Computed tomography, abdomen — axial view — abdomen soft-tissue window — 512x512 px
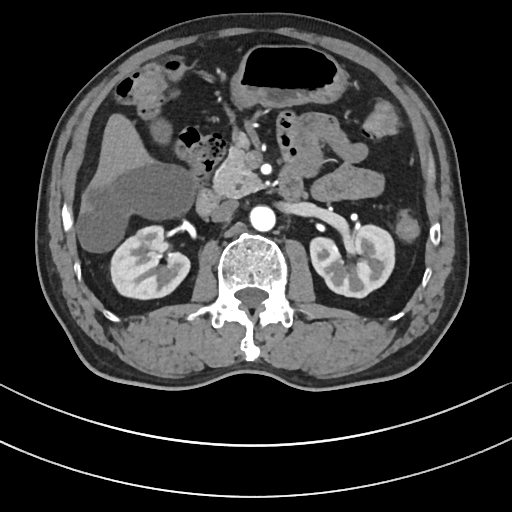
Organ boxes in pixel coordinates; each row gives the top-left (x1, y1) and bottom-right (x2, y2) corners.
| organ | x1 | y1 | x2 | y2 |
|---|---|---|---|---|
| right kidney | 110 | 224 | 188 | 298 |
| left kidney | 310 | 224 | 395 | 297 |
| gall bladder | 154 | 124 | 170 | 140 |
| liver | 79 | 115 | 193 | 250 |
| stomach | 234 | 43 | 345 | 106 |
| aorta | 249 | 205 | 274 | 230 |
| inferior vena cava | 210 | 200 | 238 | 222 |
| pancreas | 214 | 131 | 263 | 197 |
| duodenum | 196 | 165 | 302 | 215 |